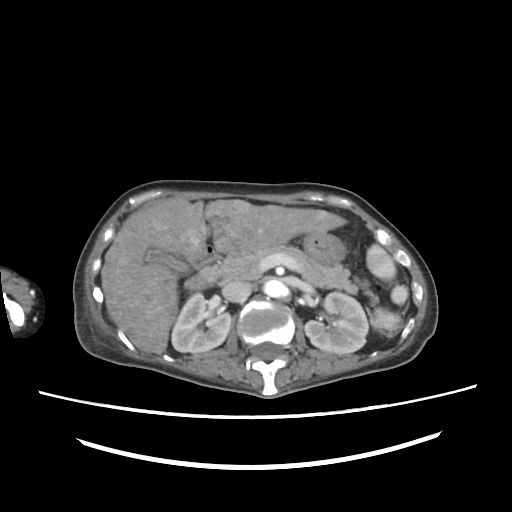 CT abdomen — axial view — 512x512 px
Coordinates as <box>x1,y1,x2,y2</box> in pixels.
spleen: <box>366,244,407,330</box>
right kidney: <box>171,293,231,352</box>
left kidney: <box>304,292,368,354</box>
gall bladder: <box>145,249,187,270</box>
liver: <box>101,198,346,354</box>
stomach: <box>231,232,346,264</box>
aorta: <box>263,279,286,297</box>
inferior vena cava: <box>222,280,251,302</box>
pancreas: <box>201,245,363,294</box>
duodenum: <box>184,239,218,290</box>